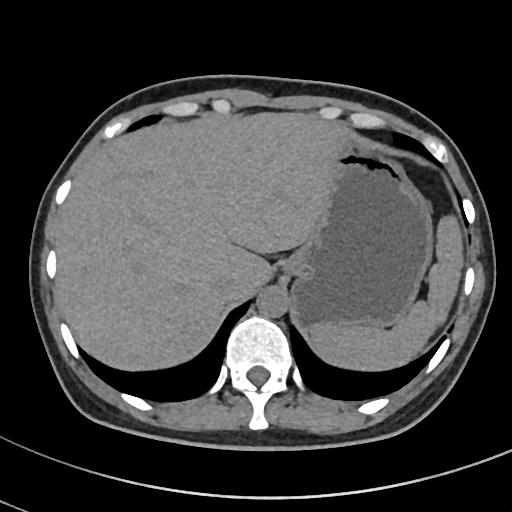 Abdominal CT; axial view; W/L 400/40 HU; 512x512 px; 15 organs annotated in this scan (a whole-scan count: organs this slice does not pass through have no box)
{"organs":{"spleen":[312,215,461,370],"liver":[54,113,345,368],"stomach":[280,140,432,329],"aorta":[257,286,288,317],"inferior vena cava":[215,271,236,290]}}